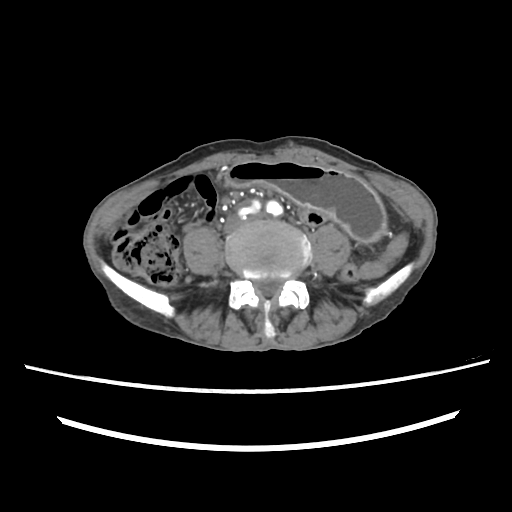 CT abdomen. Axial slice 40/120. abdomen soft-tissue window. 512x512 px. acquired on Aquilion ONE
<organs><organ name="stomach" x1="224" y1="159" x2="385" y2="241"/></organs>